CT abdomen. axial view. 512x512 px
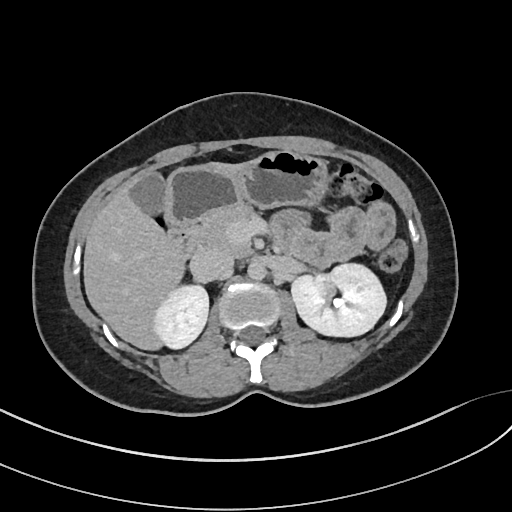

{"organs":{"pancreas":[194,203,264,254],"inferior vena cava":[190,249,233,282],"gall bladder":[130,173,166,214],"right kidney":[152,285,208,348],"left kidney":[291,263,386,336],"stomach":[166,150,327,226],"duodenum":[169,225,199,256],"aorta":[247,261,266,280],"liver":[83,162,241,350]}}